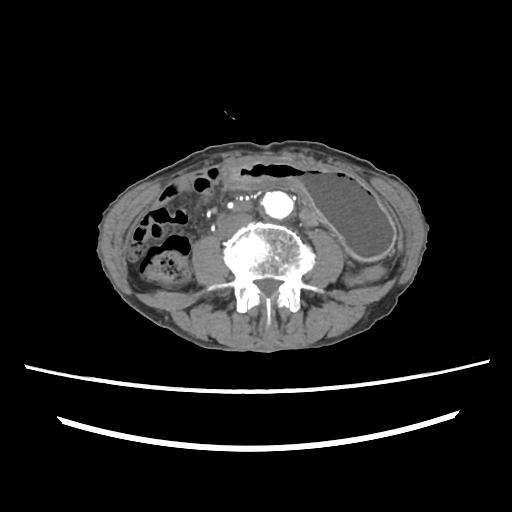
Abdominal CT · axial view · acquired on Aquilion ONE
{"organs":{"stomach":[220,157,395,258],"aorta":[260,191,294,221],"inferior vena cava":[220,214,251,236]}}